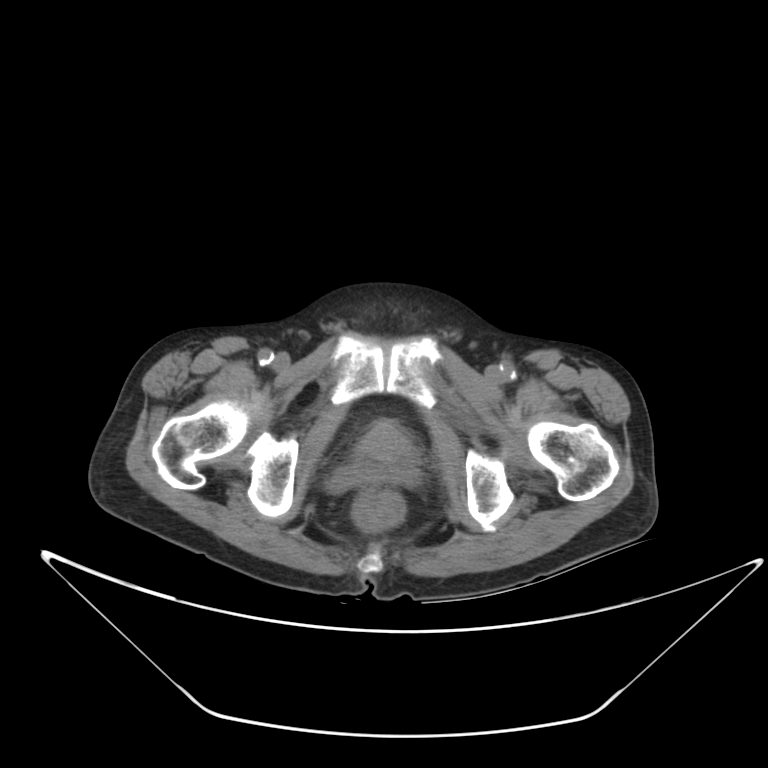 CT, abdomen/pelvis. axial view. scan has 15 labeled organs (counted over the whole 3D scan, not this slice; an organ is boxed only where this slice passes through it)
Boxes: x1:y1:x2:y2 in pixels. 1 labeled organ on this slice — prostate/uterus at 358:422:411:464.